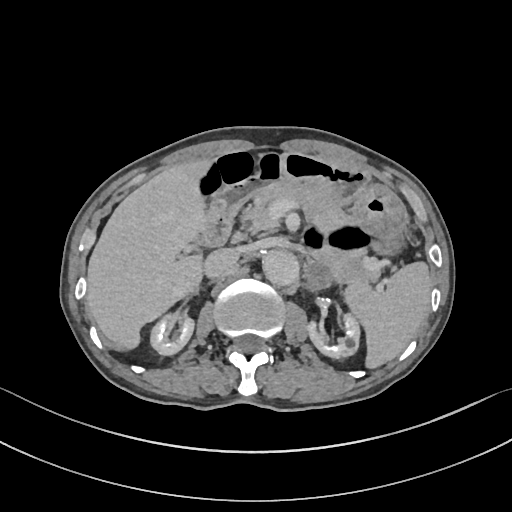 Computed tomography, abdomen · Axial slice 153/204 · scan has 15 labeled organs (counted over the whole 3D scan, not this slice; an organ is boxed only where this slice passes through it)
Boxes: x1:y1:x2:y2 in pixels. 10 labeled organs on this slice — spleen at 343:261:432:369; right kidney at 151:313:193:355; left kidney at 306:314:358:358; liver at 86:159:215:347; stomach at 210:151:407:256; aorta at 262:250:299:287; inferior vena cava at 203:248:237:280; pancreas at 248:184:380:283; left adrenal gland at 305:263:332:289; duodenum at 203:201:237:246.